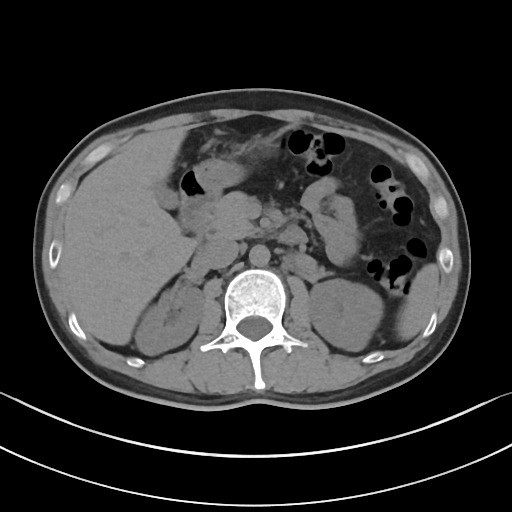

Abdominal CT · axial view · abdomen soft-tissue window · scan has 15 labeled organs (a whole-scan count: organs this slice does not pass through have no box)
Boxes: x1 y1 x2 y2 (pixel coords, space-separated).
spleen: 400 264 439 339
right kidney: 135 285 203 354
left kidney: 308 279 383 351
gall bladder: 153 183 179 209
liver: 59 126 196 345
stomach: 192 138 277 197
aorta: 249 245 270 266
inferior vena cava: 200 238 238 268
pancreas: 207 191 259 238
duodenum: 179 168 307 244